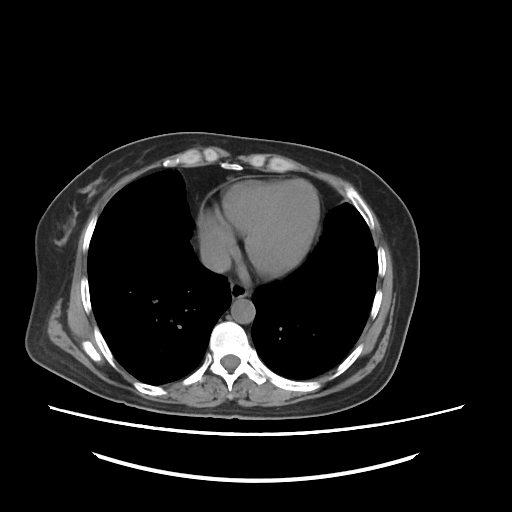
Abdominal CT; this slice is in the lower chest, just above the liver · axial view · soft-tissue window, W/L 400/40 · 15 organs annotated in this scan (a whole-scan count: organs this slice does not pass through have no box)
No part of the heart or lungs is labeled in this dataset, so neither has a box here.
{"organs":{"esophagus":[229,279,248,298],"aorta":[231,298,255,323],"inferior vena cava":[202,243,231,272]}}